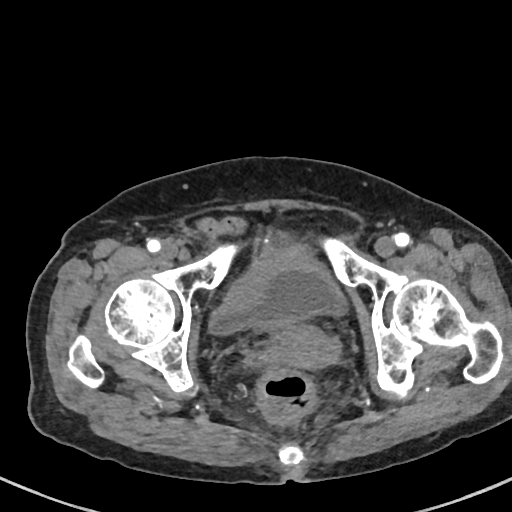 CT, abdomen/pelvis — axial plane, index 29 — W/L 400/40 HU — 512x512 px
Coordinates as <box>x1,y1,x2,y2</box> in pixels.
Organ bounding boxes:
- bladder: <box>210,250,347,334</box>
- prostate/uterus: <box>281,334,331,367</box>